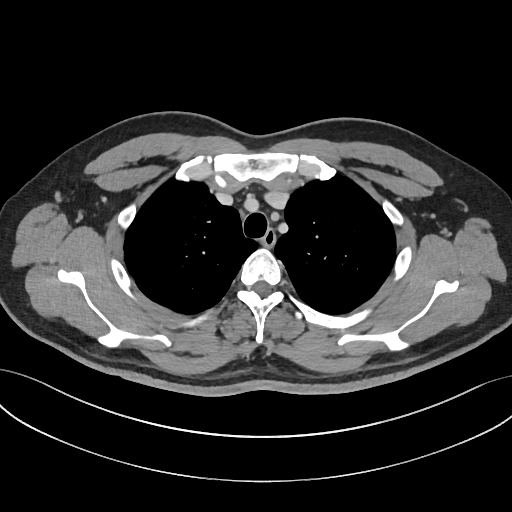

Chest-level slice from an abdominal CT that extends up into the chest — axial plane, index 317 — 512x512 px
On a slice this high in the chest, this dataset labels only the esophagus and the aorta, and each is boxed only where it is labeled; the heart, lungs and other chest structures are not labeled. Coordinates as <box>x1,y1,x2,y2</box> in pixels. 1 labeled organ on this slice — esophagus at <box>261,229,276,245</box>.